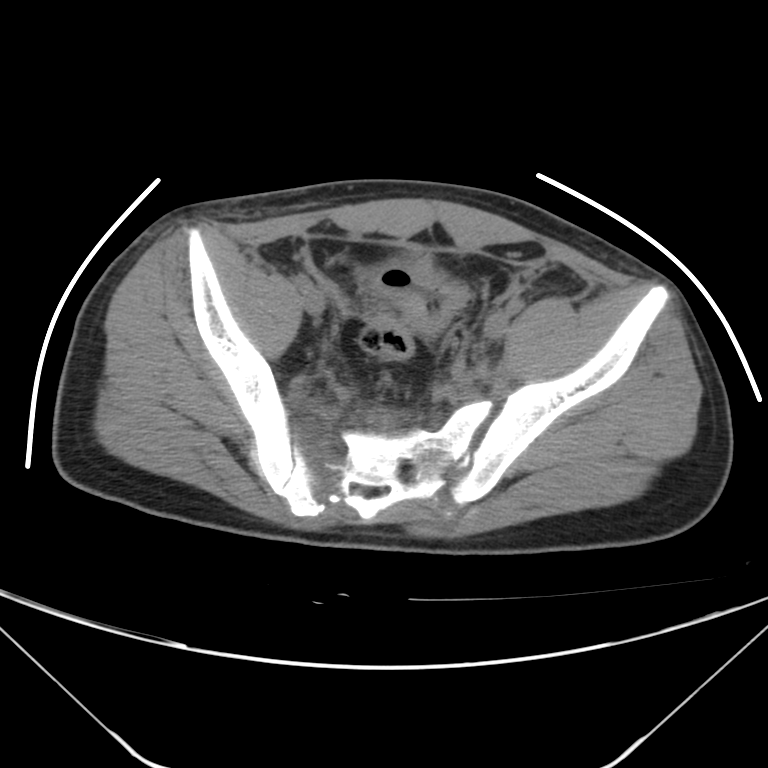

Computed tomography, abdomen — axial plane, index 26 — 768x768 px — acquired on Brilliance16
<organs><organ name="bladder" x1="371" y1="260" x2="465" y2="332"/></organs>